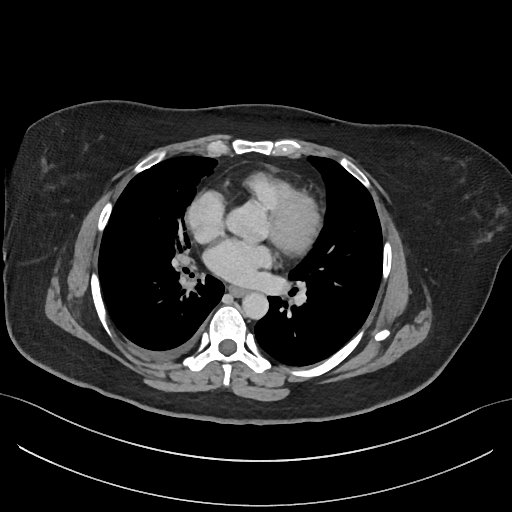
CT of the abdomen reaching into the lower chest, slice just above the liver and spleen · axial view
No part of the heart or lungs is labeled in this dataset, so neither has a box here.
Organ boxes in pixel coordinates; each row gives the top-left (x1, y1) and bottom-right (x2, y2) corners.
| organ | x1 | y1 | x2 | y2 |
|---|---|---|---|---|
| esophagus | 228 | 286 | 246 | 296 |
| aorta | 242 | 292 | 268 | 319 |